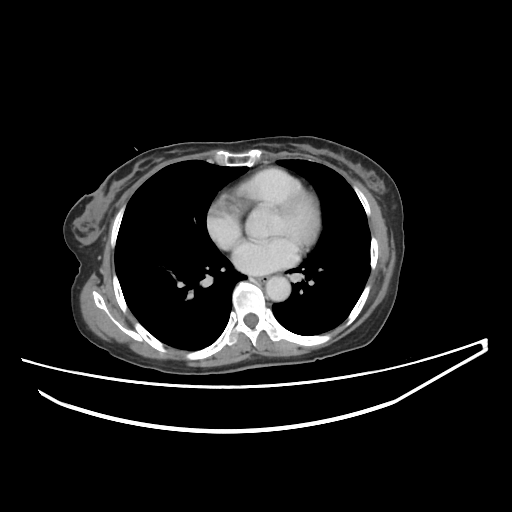 CT of the abdomen reaching into the lower chest, slice just above the liver and spleen. axial view. soft-tissue window, W/L 400/40. 62-year-old female patient. acquired on Aquilion ONE. scan has 15 labeled organs (that count is for the whole scan; organs this slice misses have no box)
The heart and lungs are never labeled in this dataset, so they have no box on this slice. Coordinates as <box>x1,y1,x2,y2</box> in pixels. 2 labeled organs on this slice — aorta at <box>265,276,290,301</box>; esophagus at <box>255,275,268,282</box>.